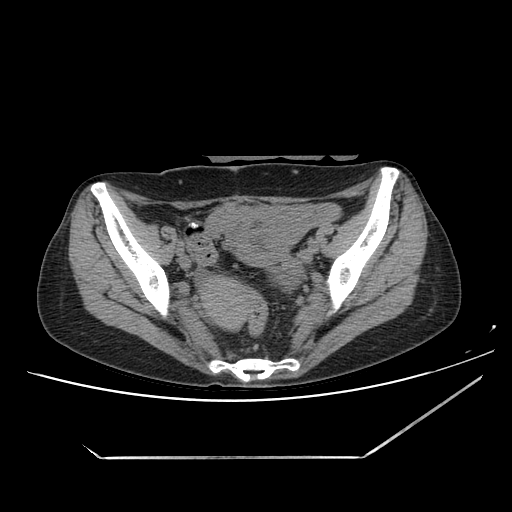 Abdominal CT — axial view — 512x512 px
{"organs":{"prostate/uterus":[199,276,246,329]}}